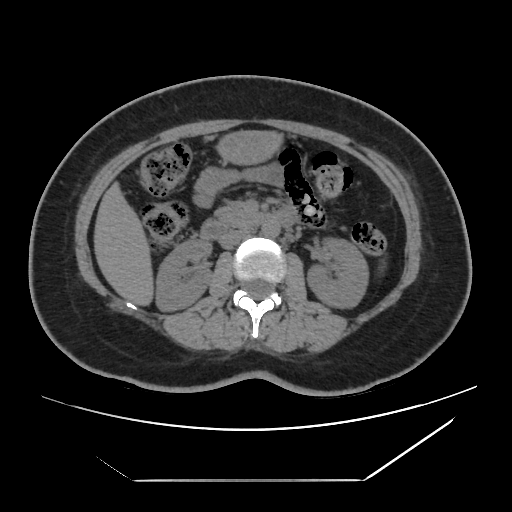
CT, abdomen/pelvis; axial view
Box edges are left/top/right/bottom in pixels.
right kidney: left=155, top=239, right=212, bottom=311
left kidney: left=307, top=237, right=369, bottom=307
liver: left=94, top=183, right=153, bottom=305
stomach: left=218, top=131, right=281, bottom=163
aorta: left=261, top=220, right=279, bottom=237
inferior vena cava: left=219, top=229, right=250, bottom=249
pancreas: left=215, top=204, right=254, bottom=227
duodenum: left=201, top=207, right=295, bottom=240